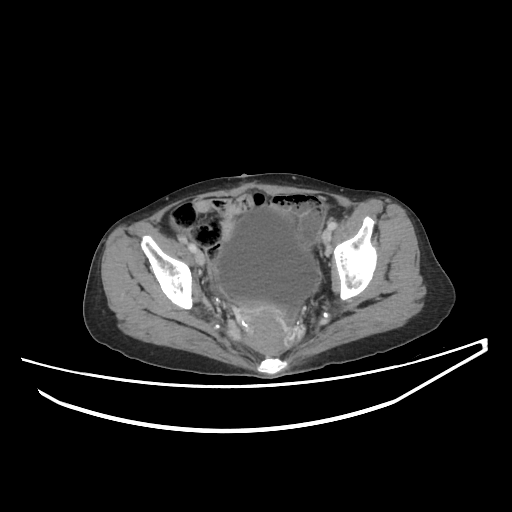

Abdominal CT · axial view · 512x512 px · 62-year-old female patient
Box edges are left/top/right/bottom in pixels.
bladder: left=215, top=208, right=320, bottom=307
prostate/uterus: left=242, top=306, right=291, bottom=353